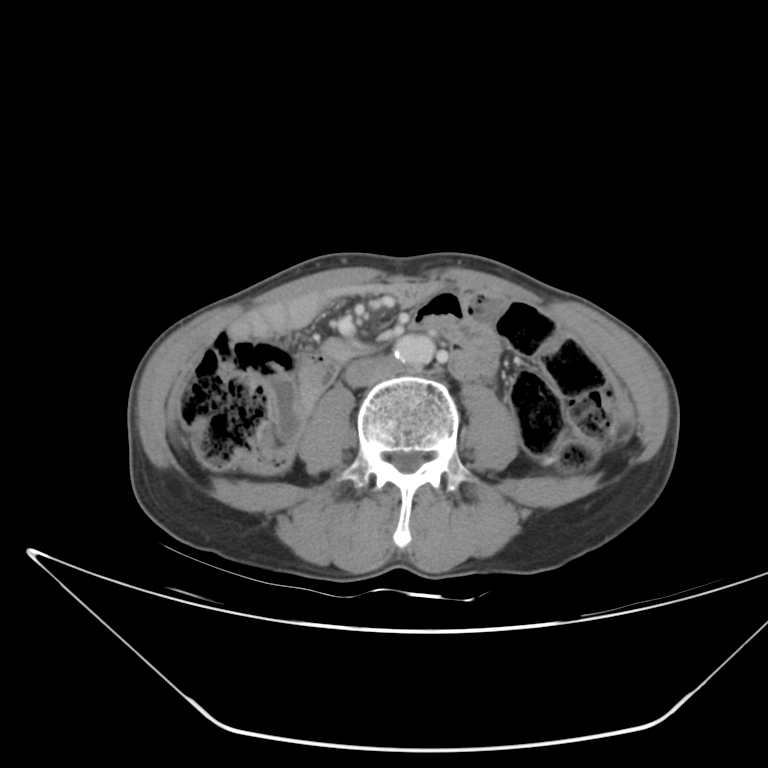 Computed tomography, abdomen · axial view · 768x768 px · 62-year-old male patient
{"organs":{"aorta":[395,335,435,366],"inferior vena cava":[348,357,402,387]}}